CT, abdomen/pelvis; axial view; soft-tissue window; 512x512 px
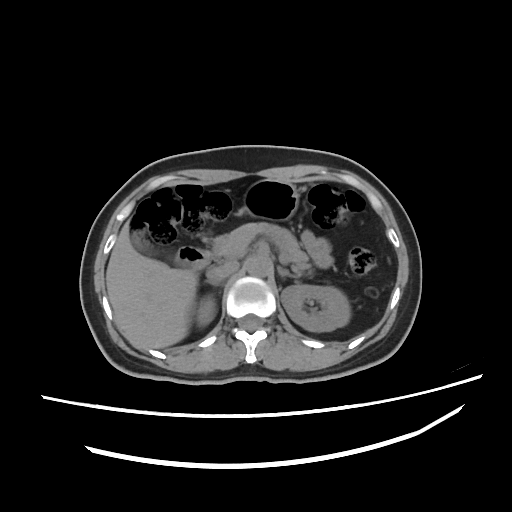
Bounding boxes as [x1, y1, x2, y2] in pixel coordinates.
Organ bounding boxes:
- pancreas: [212, 223, 311, 272]
- stomach: [239, 181, 296, 220]
- left kidney: [282, 284, 349, 332]
- aorta: [245, 257, 271, 276]
- liver: [105, 222, 198, 348]
- gall bladder: [132, 232, 146, 251]
- inferior vena cava: [207, 263, 236, 281]
- left adrenal gland: [278, 265, 296, 277]
- right kidney: [199, 301, 215, 325]
- right adrenal gland: [207, 280, 219, 285]
- duodenum: [175, 247, 210, 270]